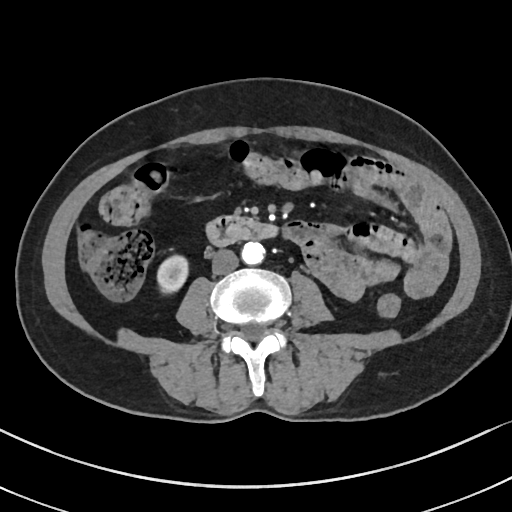 Abdominal CT — Axial slice 110/294 — acquired on SOMATOM Force
Coordinates as <box>x1,y1,x2,y2</box> in pixels.
right kidney: <box>155,255,188,291</box>
aorta: <box>240,242,264,265</box>
inferior vena cava: <box>211,250,238,275</box>
duodenum: <box>207,216,277,246</box>